Abdominal MRI — coronal view
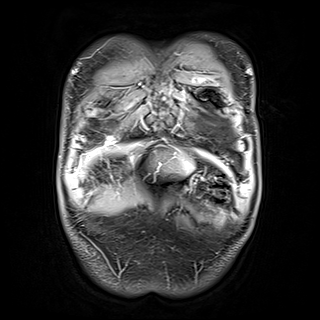 Coordinates as <box>x1,y1,x2,y2</box> in pixels.
Organ bounding boxes:
- liver: <box>108,145,192,171</box>